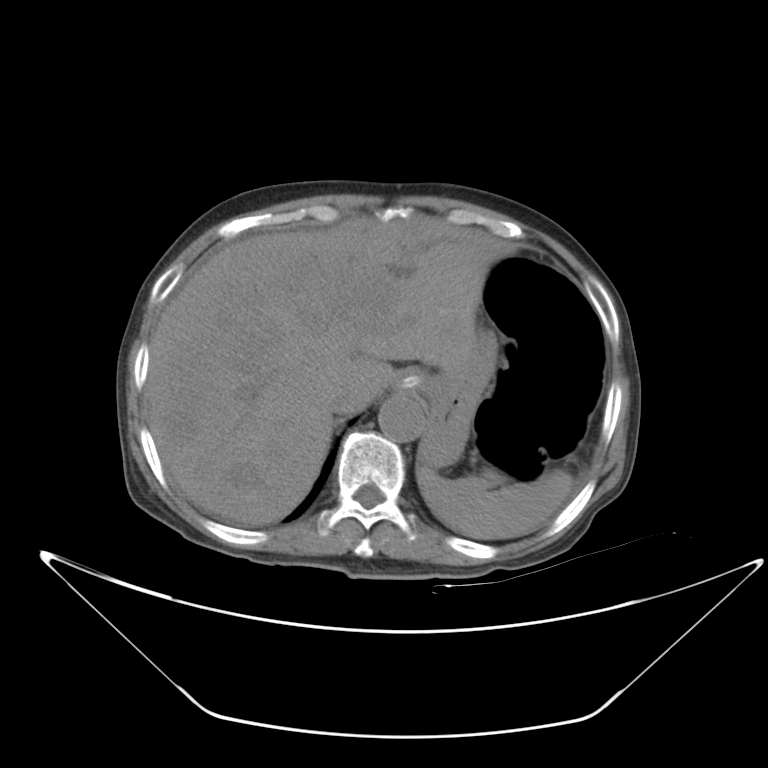 CT, abdomen/pelvis · Axial slice 77/95 · 64-year-old male patient · Brilliance16 scanner · scan has 15 labeled organs (that count is for the whole scan; organs this slice misses have no box)
{"organs":{"stomach":[395,325,497,469],"inferior vena cava":[332,392,362,413],"spleen":[417,464,572,538],"liver":[147,214,514,526],"aorta":[378,395,425,442]}}